CT abdomen; axial plane, index 72; W/L 400/40 HU; acquired on SOMATOM Force; 15 organs annotated in this scan (a whole-scan count: organs this slice does not pass through have no box)
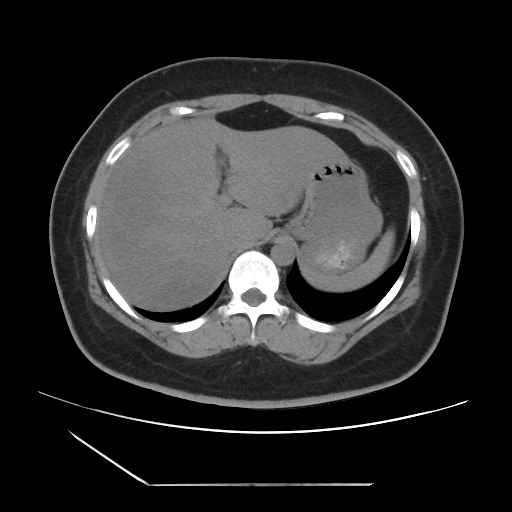
<organs><organ name="inferior vena cava" x1="223" y1="233" x2="243" y2="251"/><organ name="aorta" x1="271" y1="239" x2="295" y2="265"/><organ name="liver" x1="96" y1="117" x2="348" y2="310"/><organ name="spleen" x1="302" y1="230" x2="392" y2="292"/><organ name="stomach" x1="285" y1="159" x2="382" y2="274"/></organs>